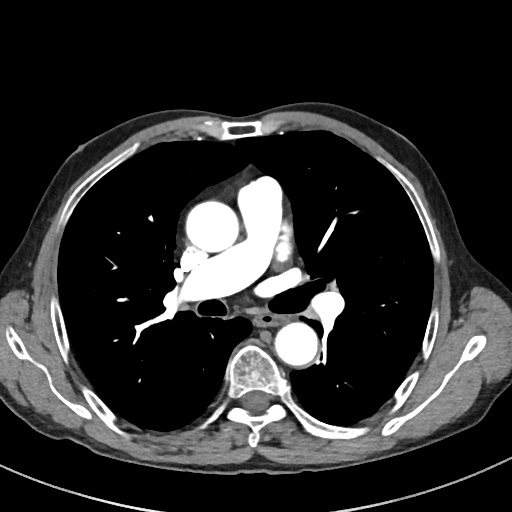
CT of the abdomen extending into the chest, slice through the chest; axial view; 512x512 px
On a slice this high in the chest, this dataset labels only the esophagus and the aorta, and each is boxed only where it is labeled; the heart, lungs and other chest structures are not labeled.
<organs><organ name="esophagus" x1="255" y1="314" x2="287" y2="327"/><organ name="aorta" x1="185" y1="200" x2="237" y2="252"/><organ name="aorta" x1="275" y1="323" x2="318" y2="366"/></organs>